Computed tomography, abdomen. Axial slice 69/82. scan has 15 labeled organs (that count is for the whole scan; organs this slice misses have no box)
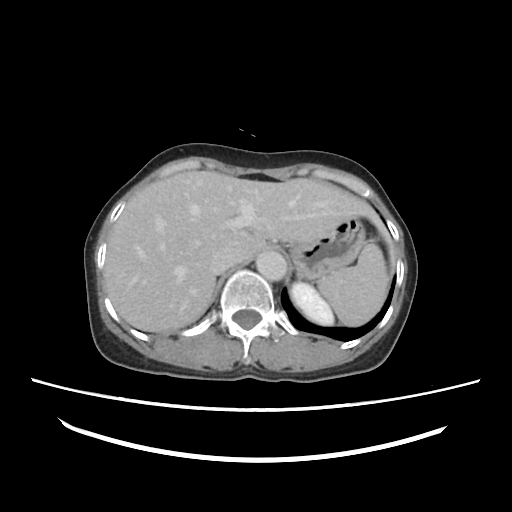

Box edges are left/top/right/bottom in pixels.
inferior vena cava: left=211, top=247, right=246, bottom=274
stomach: left=286, top=217, right=367, bottom=279
spleen: left=318, top=243, right=387, bottom=325
aorta: left=256, top=251, right=287, bottom=279
left kidney: left=291, top=281, right=333, bottom=324
liver: left=103, top=171, right=395, bottom=331